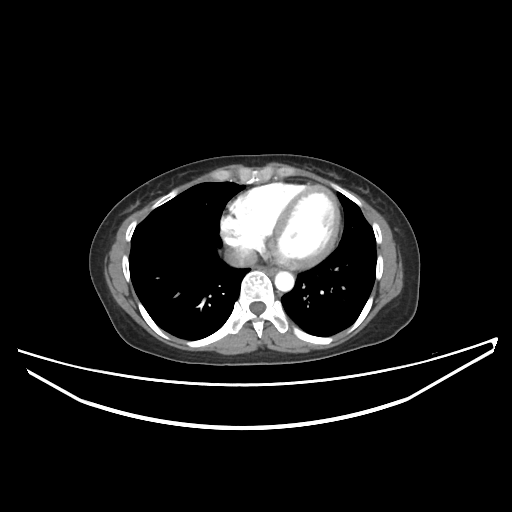 Abdominal CT; this slice is in the lower chest, just above the liver — axial plane, index 91 — 512x512 px — scan has 15 labeled organs (that count is for the whole scan; organs this slice misses have no box)
The heart and lungs are never labeled in this dataset, so they have no box on this slice.
<organs><organ name="esophagus" x1="262" y1="267" x2="276" y2="274"/><organ name="aorta" x1="275" y1="271" x2="294" y2="291"/><organ name="inferior vena cava" x1="224" y1="246" x2="257" y2="267"/></organs>